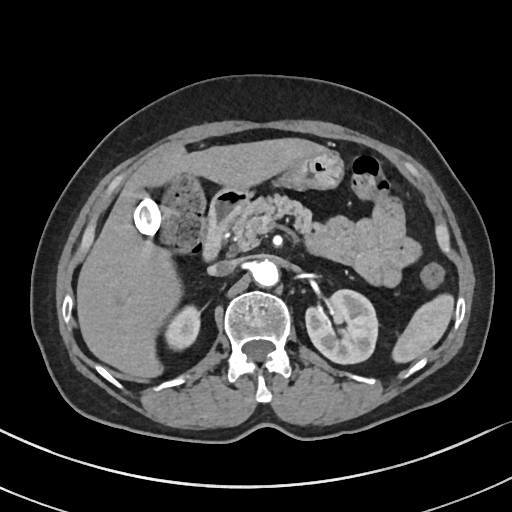

Computed tomography, abdomen. axial plane, index 150. 512x512 px. acquired on SOMATOM Force
Bounding boxes as [x1, y1, x2, y2] in pixel coordinates. 10 labeled organs on this slice — left kidney at [305, 289, 378, 363]; aorta at [252, 260, 279, 286]; liver at [76, 138, 326, 378]; pancreas at [232, 194, 317, 250]; gall bladder at [134, 193, 160, 237]; inferior vena cava at [208, 260, 237, 275]; right kidney at [164, 305, 199, 350]; spleen at [392, 294, 454, 362]; duodenum at [202, 188, 251, 260]; stomach at [276, 151, 343, 189].